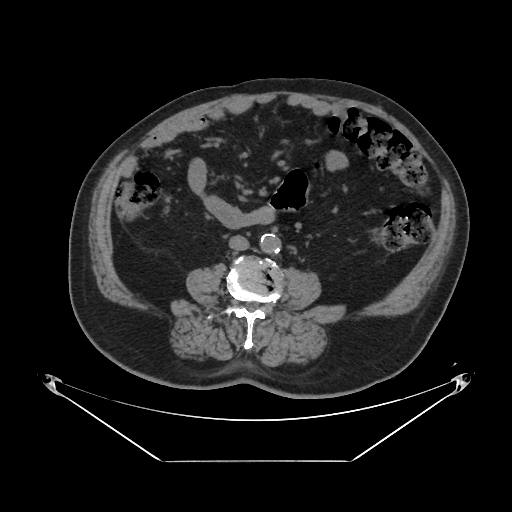

Computed tomography, abdomen. axial view. W/L 400/40 HU
Boxes are (x1, y1, x2, y2) in pixels.
Organ bounding boxes:
- aorta: (260, 234, 280, 253)
- inferior vena cava: (229, 235, 249, 250)